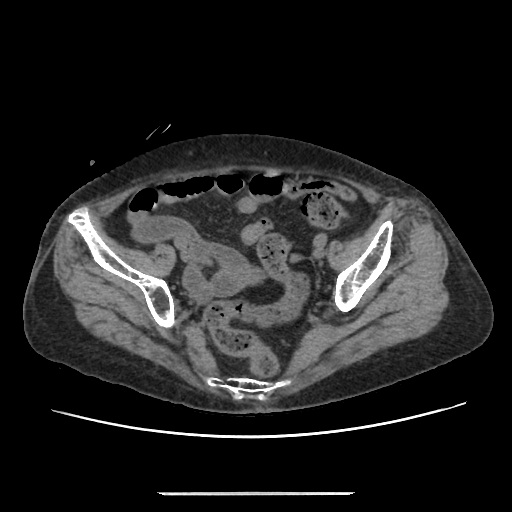 Abdominal CT; axial plane, index 96; W/L 400/40 HU; 14 organs annotated in this scan (counted over the whole 3D scan, not this slice; an organ is boxed only where this slice passes through it)
Bounding boxes as [x1, y1, x2, y2] in pixel coordinates. Labeled organs on this slice: prostate/uterus at [240, 269, 258, 280].